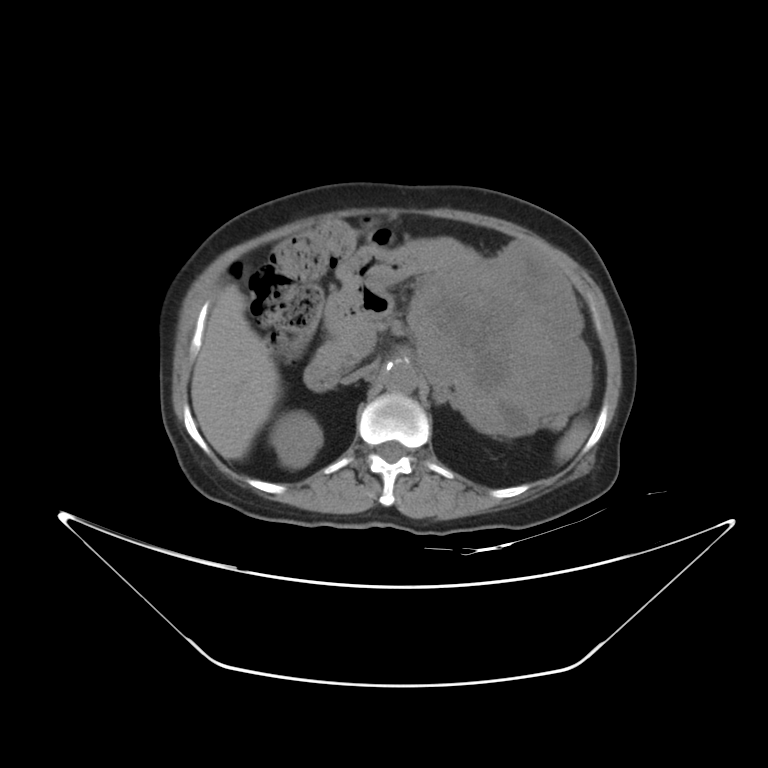
CT abdomen; axial view; 768x768 px; 15 organs annotated in this scan (that count is for the whole scan; organs this slice misses have no box)
Boxes: x1 y1 x2 y2 (pixel coords, space-separated).
Organ bounding boxes:
- duodenum: 303 359 338 390
- left adrenal gland: 434 388 453 404
- right kidney: 275 413 321 467
- spleen: 561 423 589 462
- stomach: 325 239 588 435
- aorta: 382 359 418 394
- liver: 190 287 280 459
- pancreas: 315 320 568 425
- inferior vena cava: 341 366 372 384